Abdominal CT. Axial slice 76/81. abdomen soft-tissue window
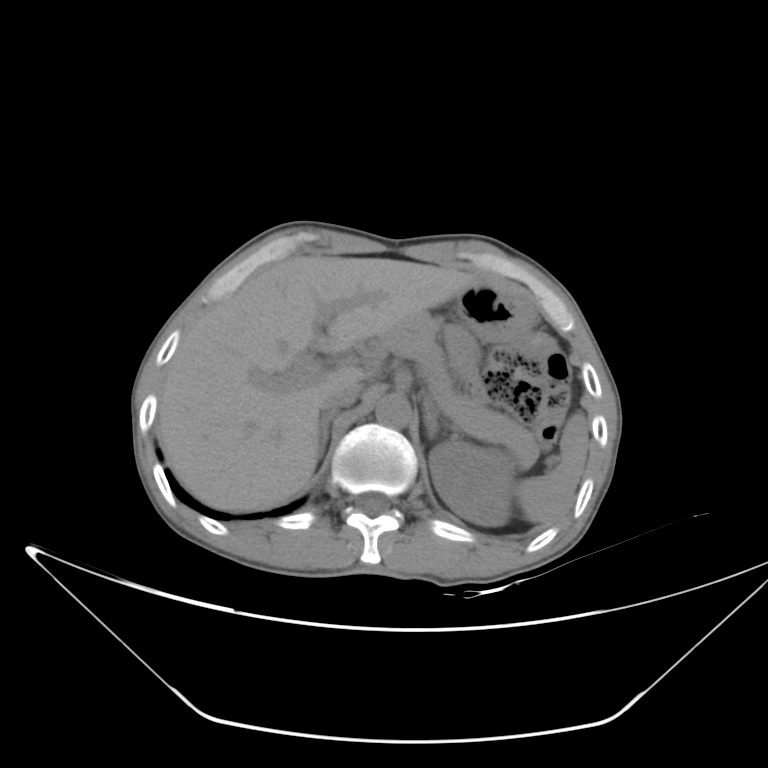 {"organs":{"liver":[156,256,483,511],"left adrenal gland":[424,401,438,440],"left kidney":[429,442,512,526],"aorta":[375,392,411,427],"right adrenal gland":[317,411,336,459],"pancreas":[381,320,539,466],"stomach":[455,284,535,343],"spleen":[514,414,588,522],"inferior vena cava":[320,385,359,411]}}